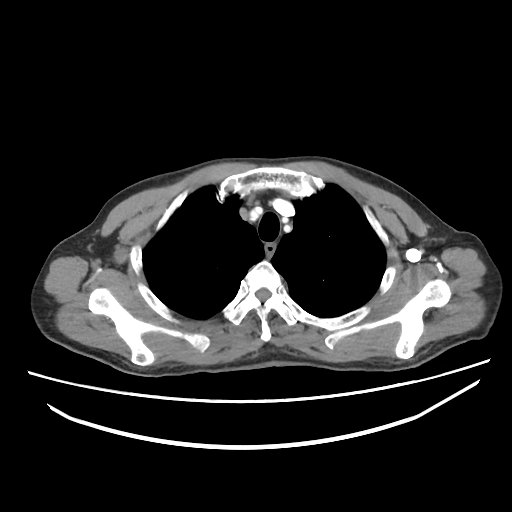 CT of the abdomen extending into the chest, slice through the chest — axial view — soft-tissue window, W/L 400/40 — Aquilion ONE scanner
On a slice this high in the chest, this dataset labels only the esophagus and the aorta, and each is boxed only where it is labeled; the heart, lungs and other chest structures are not labeled.
Organ boxes in pixel coordinates; each row gives the top-left (x1, y1) and bottom-right (x2, y2) corners.
| organ | x1 | y1 | x2 | y2 |
|---|---|---|---|---|
| esophagus | 265 | 242 | 276 | 255 |